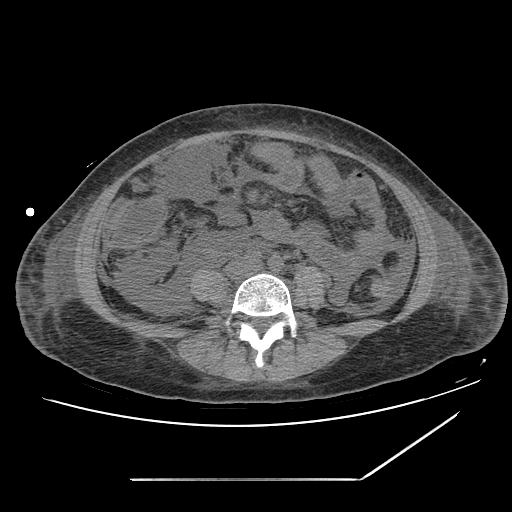
CT, abdomen/pelvis. axial view. abdomen soft-tissue window
Bounding boxes in pixels, one row per box: x1, y1 is the top-left corner and x2, y2 the bottom-right.
| organ | x1 | y1 | x2 | y2 |
|---|---|---|---|---|
| inferior vena cava | 227 | 261 | 258 | 276 |